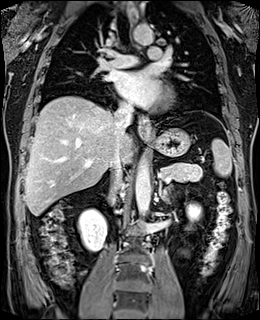

Magnetic resonance imaging, abdomen; coronal view
Boxes are (x1, y1, x2, y2) in pixels.
spleen: (212, 138, 231, 176)
right kidney: (78, 209, 106, 252)
left kidney: (187, 203, 201, 222)
esophagus: (138, 115, 150, 138)
liver: (24, 96, 133, 215)
stomach: (145, 128, 190, 157)
aorta: (135, 157, 150, 226)
aorta: (132, 24, 153, 44)
inferior vena cava: (110, 104, 132, 191)
pancreas: (161, 163, 202, 181)
left adrenal gland: (159, 181, 173, 202)